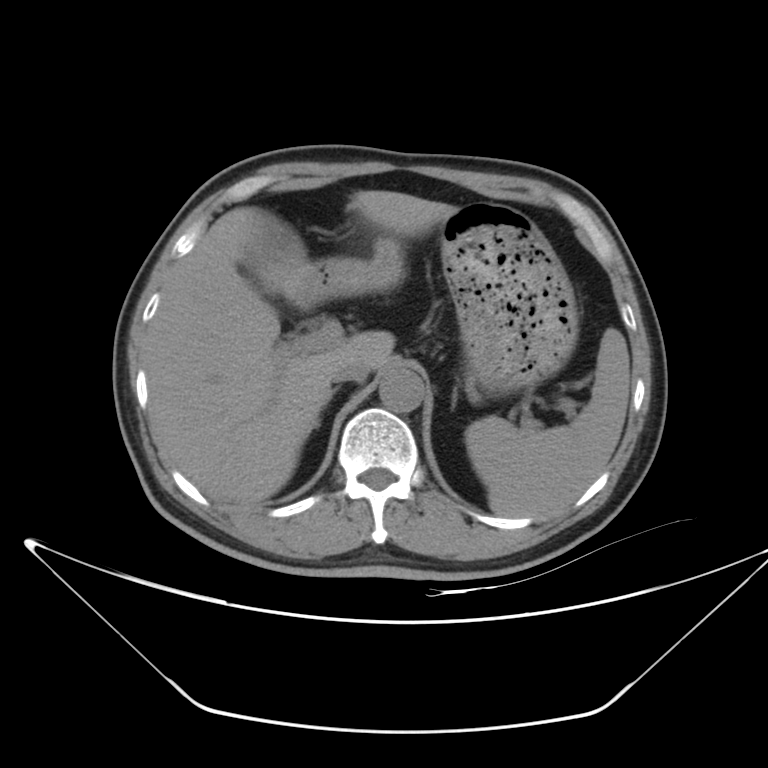 CT, abdomen/pelvis — axial view — 768x768 px
<organs><organ name="spleen" x1="465" y1="327" x2="630" y2="518"/><organ name="liver" x1="145" y1="190" x2="457" y2="503"/><organ name="stomach" x1="298" y1="203" x2="579" y2="393"/><organ name="aorta" x1="378" y1="368" x2="424" y2="413"/><organ name="inferior vena cava" x1="332" y1="358" x2="370" y2="382"/><organ name="right adrenal gland" x1="315" y1="388" x2="338" y2="427"/></organs>